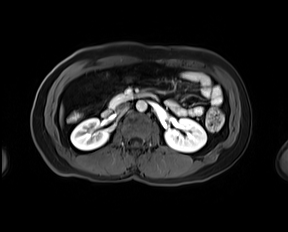
Magnetic resonance imaging, abdomen · axial view · 288x232 px
Boxes: x1:y1:x2:y2 in pixels.
Organ bounding boxes:
- pancreas: 109:94:130:107
- aorta: 136:100:147:111
- inferior vena cava: 117:103:128:111
- left kidney: 165:118:206:152
- liver: 59:106:63:124
- right kidney: 70:118:109:150
- duodenum: 102:92:158:116